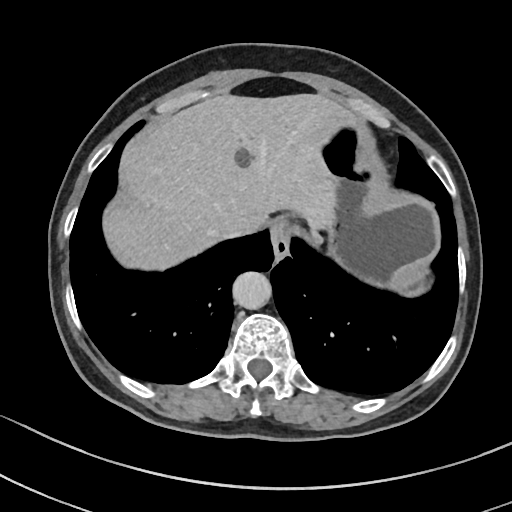

CT, abdomen/pelvis. axial view. 512x512 px
Box edges are left/top/right/bottom in pixels. Labeled organs on this slice: esophagus at left=271, top=219, right=290, bottom=260, liver at left=103, top=94, right=351, bottom=269, stomach at left=320, top=123, right=438, bottom=294, aorta at left=232, top=271, right=271, bottom=309, inferior vena cava at left=221, top=232, right=245, bottom=237.